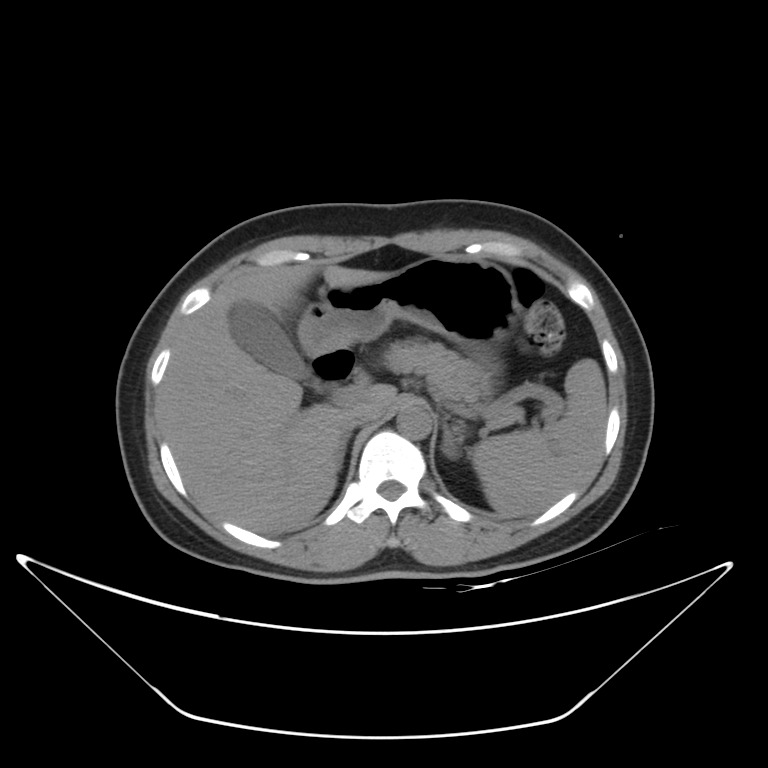 CT, abdomen/pelvis; axial plane, index 79; W/L 400/40 HU; 768x768 px; 39-year-old female patient; scan has 15 labeled organs (a whole-scan count: organs this slice does not pass through have no box)
<organs><organ name="inferior vena cava" x1="337" y1="410" x2="372" y2="435"/><organ name="duodenum" x1="311" y1="346" x2="353" y2="388"/><organ name="right adrenal gland" x1="340" y1="435" x2="349" y2="465"/><organ name="stomach" x1="298" y1="256" x2="520" y2="361"/><organ name="left adrenal gland" x1="442" y1="426" x2="461" y2="457"/><organ name="spleen" x1="470" y1="358" x2="607" y2="516"/><organ name="gall bladder" x1="228" y1="301" x2="310" y2="380"/><organ name="aorta" x1="396" y1="405" x2="431" y2="439"/><organ name="liver" x1="158" y1="265" x2="395" y2="533"/><organ name="pancreas" x1="388" y1="338" x2="523" y2="418"/></organs>